Computed tomography, abdomen · axial plane, index 58 · 768x768 px
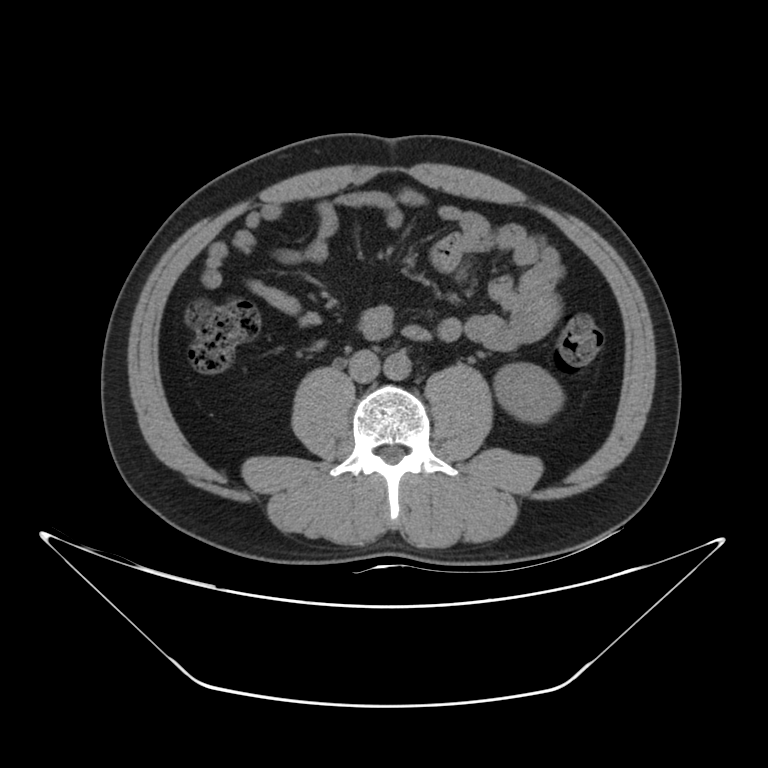 {"organs":{"aorta":[383,351,411,380],"left kidney":[494,363,562,422],"inferior vena cava":[349,350,378,382]}}